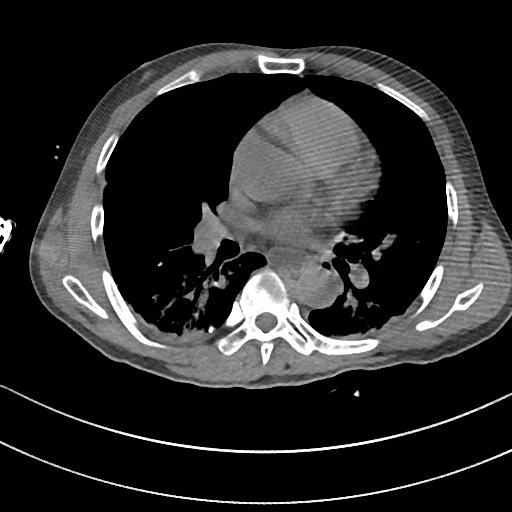
Lower-chest slice from an abdominal CT, just above the liver and spleen. Axial slice 252/252. acquired on SOMATOM Force. 15 organs annotated in this scan (counted over the whole 3D scan, not this slice; an organ is boxed only where this slice passes through it)
No part of the heart or lungs is labeled in this dataset, so neither has a box here.
<organs><organ name="esophagus" x1="267" y1="247" x2="306" y2="270"/><organ name="aorta" x1="297" y1="272" x2="336" y2="305"/></organs>